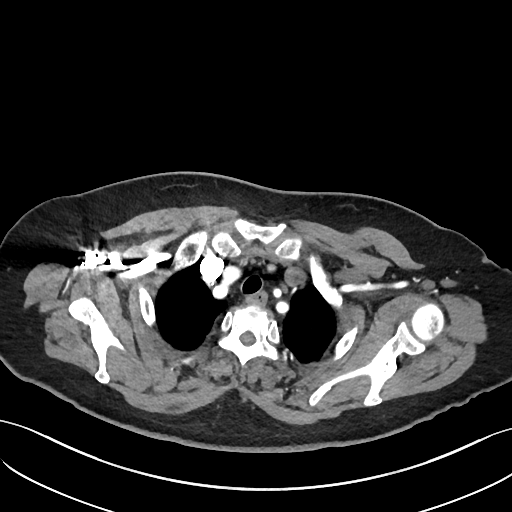 CT of the abdomen extending into the chest, slice through the chest. axial plane, index 261. 512x512 px
On a slice this high in the chest, this dataset labels only the esophagus and the aorta, and each is boxed only where it is labeled; the heart, lungs and other chest structures are not labeled.
<organs><organ name="esophagus" x1="245" y1="292" x2="266" y2="306"/></organs>